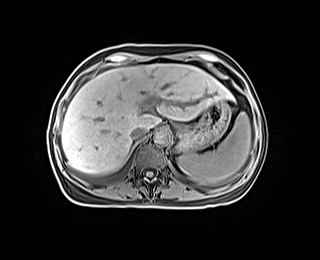 Abdominal MR; axial view; Prisma scanner
{"organs":{"liver":[61,64,233,173],"inferior vena cava":[131,128,146,139],"aorta":[154,128,170,144],"stomach":[176,99,230,152],"spleen":[177,112,251,185]}}